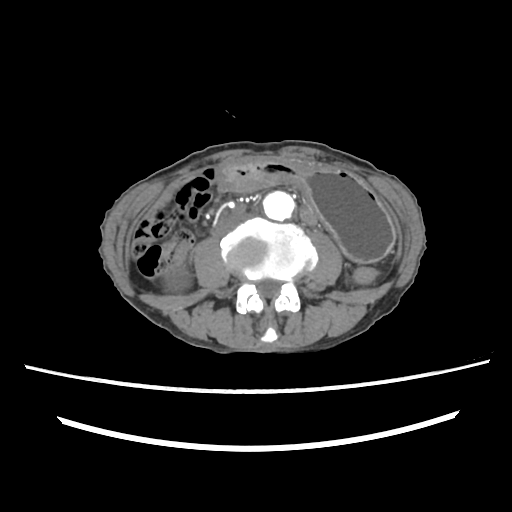

CT abdomen · axial view · 81-year-old male patient
Boxes: x1 y1 x2 y2 (pixel coords, space-separated).
right kidney: 164 265 190 291
stomach: 217 157 393 262
aorta: 259 190 296 223
inferior vena cava: 213 213 251 236